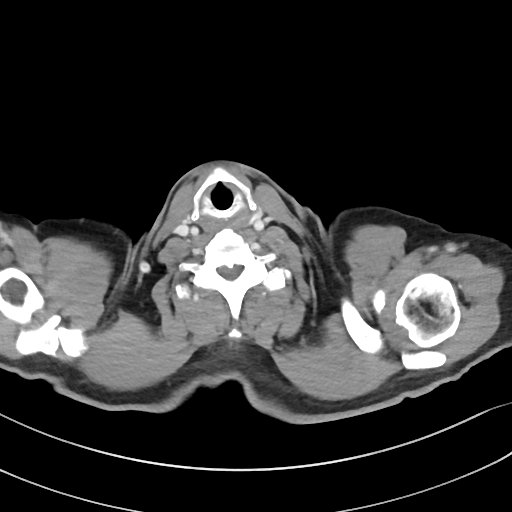 Chest-level CT slice, above the liver and spleen; axial view; soft-tissue window (W 400 / L 40); 512x512 px
On a slice this high in the chest, this dataset labels only the esophagus and the aorta, and each is boxed only where it is labeled; the heart, lungs and other chest structures are not labeled.
{"organs":{"esophagus":[215,218,235,226]}}